CT abdomen; axial plane, index 50; 768x768 px; 13 organs annotated in this scan (a whole-scan count: organs this slice does not pass through have no box)
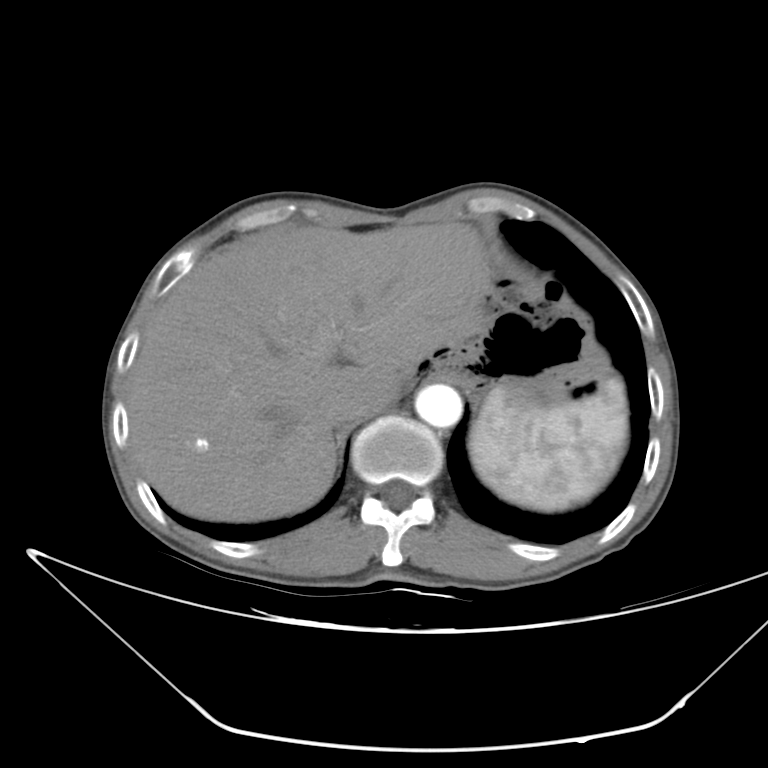 Coordinates as <box>x1,y1,x2,y2</box> in pixels.
Organ bounding boxes:
- inferior vena cava: <box>322,386,368,424</box>
- aorta: <box>415,385,462,427</box>
- liver: <box>127,222,492,521</box>
- spleen: <box>470,377,628,511</box>
- stomach: <box>405,310,593,411</box>